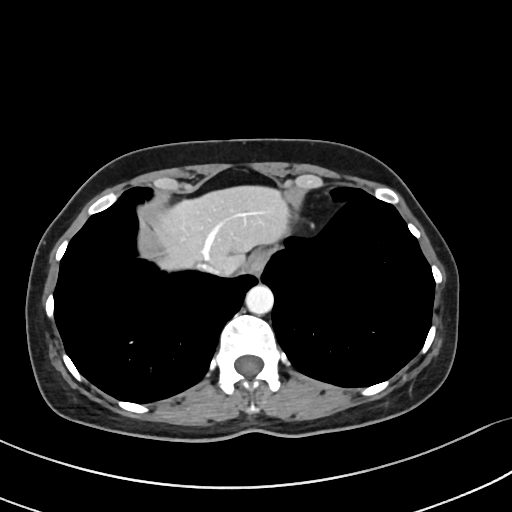 Computed tomography, abdomen — axial view — soft-tissue window — 512x512 px
Boxes are (x1, y1, x2, y2) in pixels.
esophagus: (246, 252, 265, 275)
aorta: (245, 285, 273, 313)
liver: (156, 186, 288, 273)
inferior vena cava: (195, 262, 227, 273)